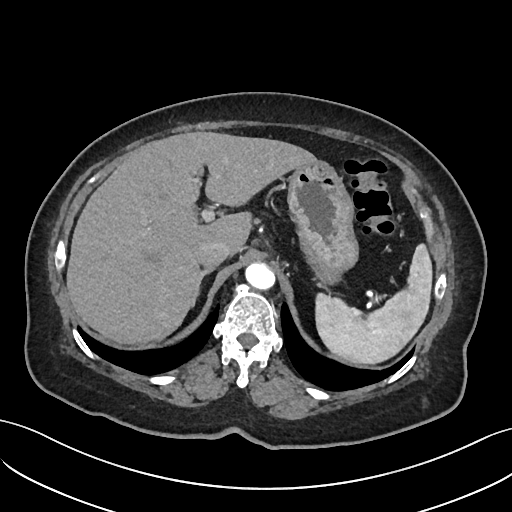 Computed tomography, abdomen. axial view. 512x512 px
Boxes are (x1, y1, x2, y2) in pixels.
spleen: (315, 245, 431, 363)
liver: (67, 132, 318, 343)
stomach: (287, 161, 359, 285)
aorta: (245, 263, 275, 290)
inferior vena cava: (195, 240, 228, 267)
right adrenal gland: (192, 268, 211, 306)